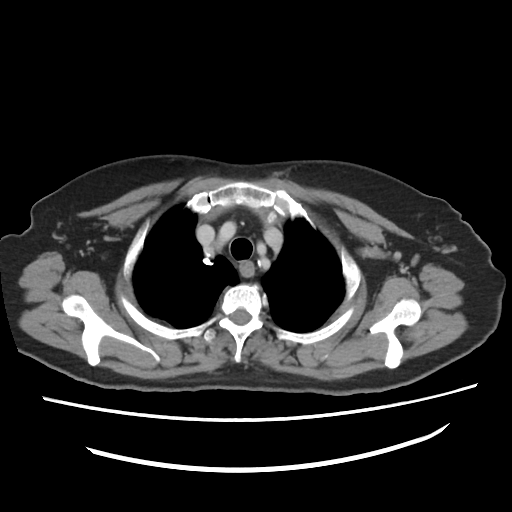

CT of the abdomen extending into the chest, slice through the chest · axial view · soft-tissue window, W/L 400/40
At this level of the chest no structure but the esophagus and the aorta has a label in this dataset, and those two are boxed only where they are labeled. Each box given as x1,y1,x2,y2. The annotated organs in this slice are: esophagus at x1=240, y1=262, x2=253, y2=277.